CT of the abdomen extending into the chest, slice through the chest; axial view; soft-tissue window (W 400 / L 40); 512x512 px; 54-year-old female patient
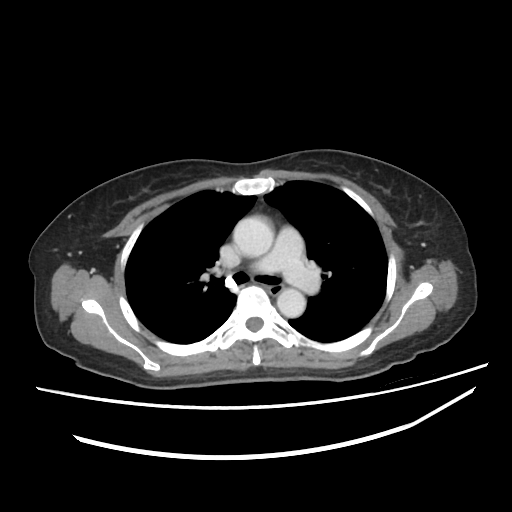 At this level of the chest no structure but the esophagus and the aorta has a label in this dataset, and those two are boxed only where they are labeled.
{"organs":{"esophagus":[269,284,282,295],"aorta":[[233,215,273,257],[277,288,305,317]]}}